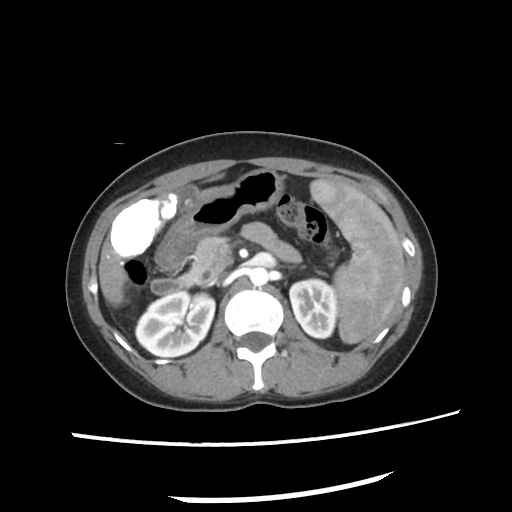

Computed tomography, abdomen · axial view · 512x512 px · 34-year-old female patient · acquired on Aquilion ONE
Boxes are (x1, y1, x2, y2) in pixels.
Organ bounding boxes:
- spleen: (311, 180, 402, 345)
- right kidney: (134, 290, 216, 356)
- left kidney: (290, 278, 336, 338)
- gall bladder: (176, 184, 198, 206)
- liver: (98, 184, 231, 304)
- stomach: (155, 169, 284, 270)
- aorta: (249, 269, 268, 285)
- inferior vena cava: (209, 272, 229, 283)
- pancreas: (178, 237, 233, 285)
- left adrenal gland: (299, 265, 304, 266)
- duodenum: (152, 279, 187, 294)